CT of the abdomen extending into the chest, slice through the chest; axial view; soft-tissue window, W/L 400/40; 512x512 px; scan has 15 labeled organs (that count is for the whole scan; organs this slice misses have no box)
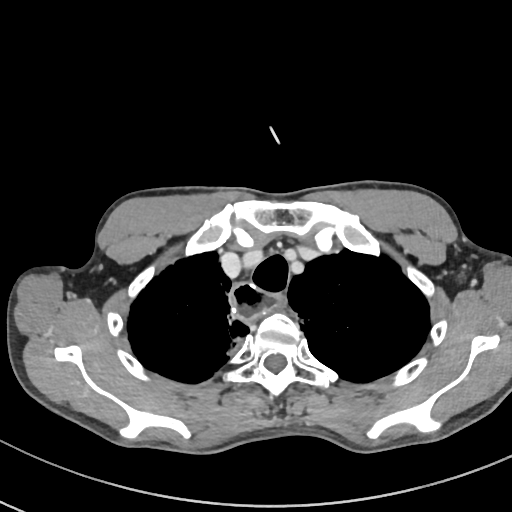
At this level of the chest this dataset labels only the esophagus and the aorta, and each is boxed only where it is labeled; the heart and lungs are never labeled.
Organ boxes in pixel coordinates; each row gives the top-left (x1, y1) and bottom-right (x2, y2) corners.
| organ | x1 | y1 | x2 | y2 |
|---|---|---|---|---|
| esophagus | 228 | 283 | 286 | 320 |